CT of the abdomen extending into the chest, slice through the chest · axial view
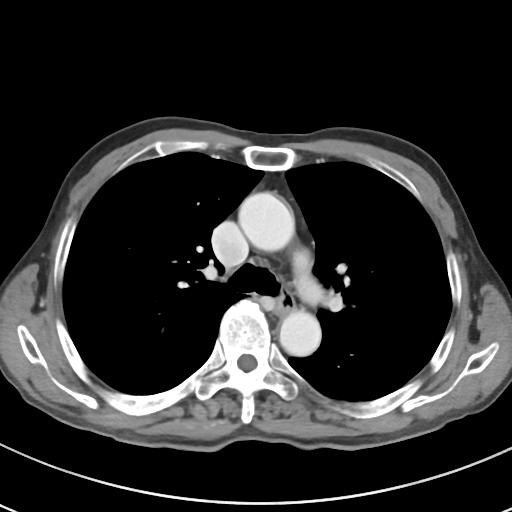
At this level of the chest no structure but the esophagus and the aorta has a label in this dataset, and those two are boxed only where they are labeled.
{"organs":{"esophagus":[275,284,295,315],"aorta":[[238,192,294,251],[279,310,321,356]]}}